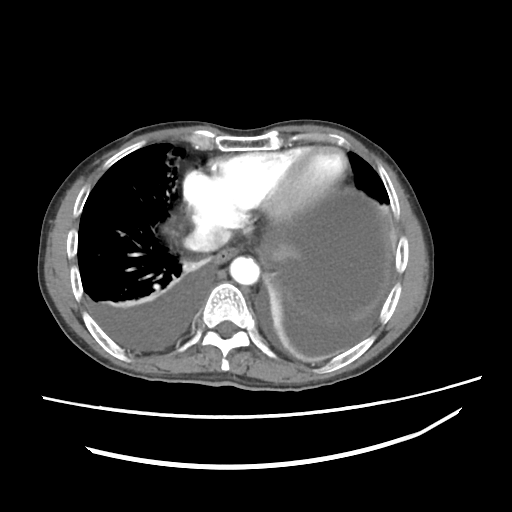
Abdominal CT · axial plane, index 96 · soft-tissue window · 50-year-old male patient · acquired on Aquilion ONE · 15 organs annotated in this scan (a whole-scan count: organs this slice does not pass through have no box)
<organs><organ name="aorta" x1="230" y1="255" x2="259" y2="285"/><organ name="liver" x1="271" y1="245" x2="302" y2="262"/><organ name="inferior vena cava" x1="183" y1="225" x2="229" y2="251"/><organ name="esophagus" x1="216" y1="246" x2="242" y2="264"/></organs>